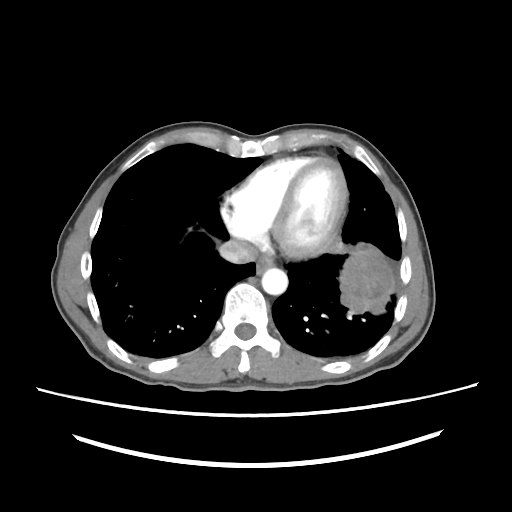 CT of the abdomen reaching into the lower chest, slice just above the liver and spleen · axial view · soft-tissue window, W/L 400/40 · 512x512 px · 51-year-old male patient · Aquilion ONE scanner
Of the structures in the chest, this dataset labels only the esophagus, the aorta and the inferior vena cava; the heart and lungs have no label.
Bounding boxes in pixels, one row per box: x1, y1 is the top-left corner and x2, y2 the bottom-right.
| organ | x1 | y1 | x2 | y2 |
|---|---|---|---|---|
| inferior vena cava | 220 | 238 | 257 | 264 |
| esophagus | 257 | 254 | 275 | 272 |
| aorta | 260 | 267 | 288 | 295 |